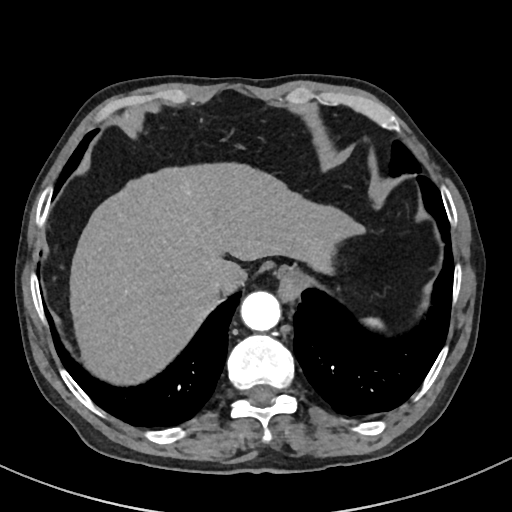
CT abdomen — Axial slice 198/303 — SOMATOM Force scanner — 15 organs annotated in this scan (counted over the whole 3D scan, not this slice; an organ is boxed only where this slice passes through it)
Organ boxes in pixel coordinates; each row gives the top-left (x1, y1) and bottom-right (x2, y2) corners.
| organ | x1 | y1 | x2 | y2 |
|---|---|---|---|---|
| esophagus | 277 | 265 | 310 | 302 |
| liver | 68 | 162 | 363 | 385 |
| aorta | 241 | 291 | 280 | 331 |
| inferior vena cava | 211 | 274 | 225 | 292 |
| spleen | 364 | 316 | 380 | 327 |